Abdominal CT — Axial slice 114/191 — 512x512 px — acquired on SOMATOM Force — scan has 15 labeled organs (counted over the whole 3D scan, not this slice; an organ is boxed only where this slice passes through it)
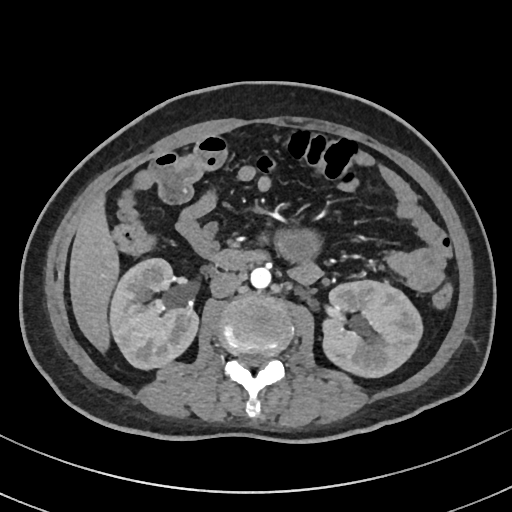
<organs><organ name="inferior vena cava" x1="210" y1="272" x2="241" y2="298"/><organ name="duodenum" x1="209" y1="249" x2="269" y2="270"/><organ name="left kidney" x1="322" y1="280" x2="423" y2="378"/><organ name="right kidney" x1="111" y1="259" x2="198" y2="369"/><organ name="aorta" x1="250" y1="267" x2="270" y2="289"/><organ name="liver" x1="69" y1="193" x2="120" y2="352"/></organs>